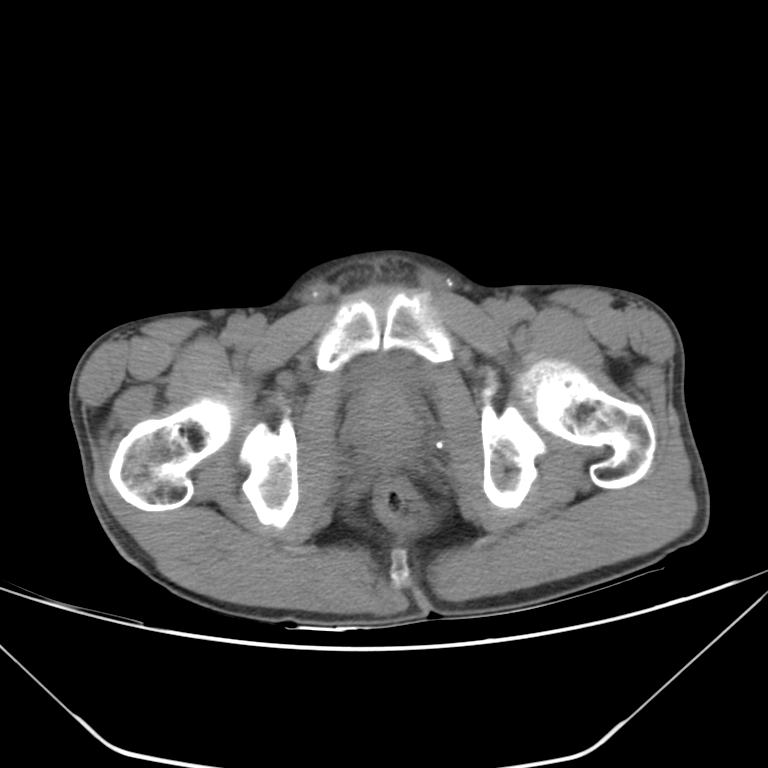

Computed tomography, abdomen. axial view. W/L 400/40 HU. 768x768 px
Coordinates as <box>x1,y1,x2,y2</box> in pixels.
bladder: <box>352,359,419,387</box>
prostate/uterus: <box>352,386,420,455</box>